Computed tomography, abdomen · axial view · W/L 400/40 HU
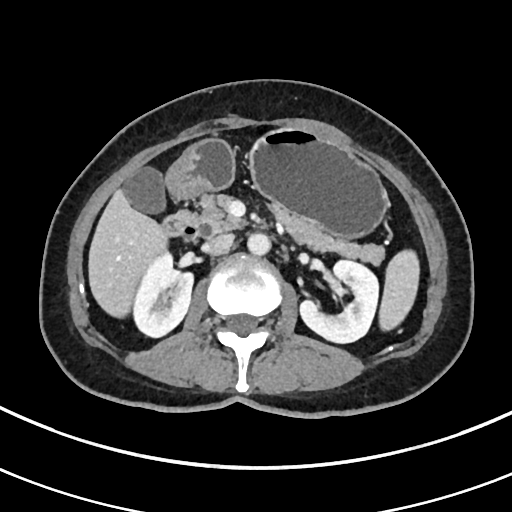

Box edges are left/top/right/bottom in pixels. The annotated organs in this slice are: spleen at left=379, top=250, right=419, bottom=330, right kidney at left=133, top=249, right=193, bottom=337, left kidney at left=300, top=260, right=378, bottom=342, gall bladder at left=125, top=167, right=165, bottom=213, liver at left=88, top=189, right=166, bottom=317, stomach at left=165, top=128, right=386, bottom=237, aorta at left=247, top=233, right=270, bottom=255, inferior vena cava at left=202, top=234, right=233, bottom=255, pancreas at left=197, top=194, right=384, bottom=265, duodenum at left=160, top=210, right=199, bottom=239.